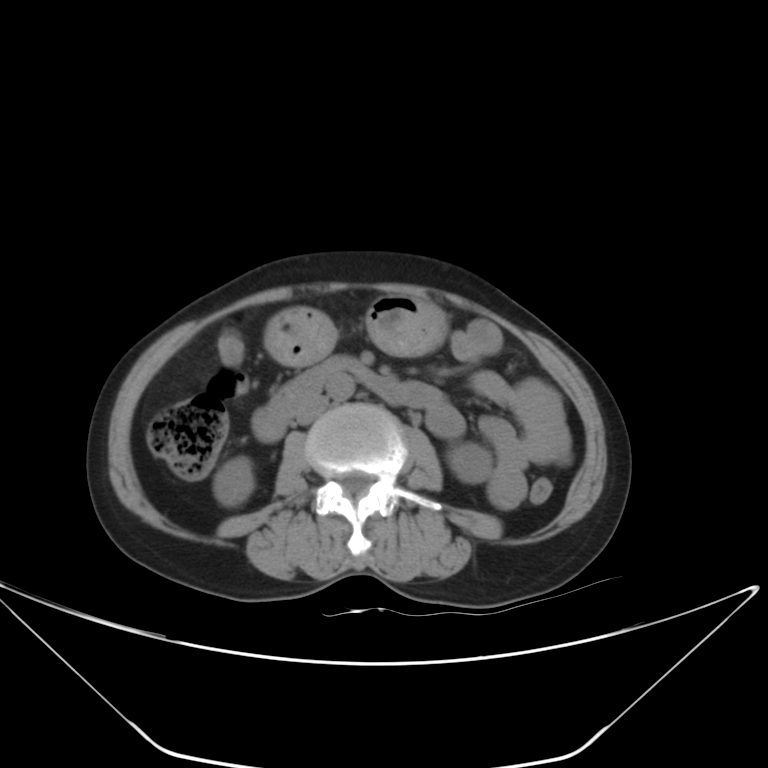
Abdominal CT; Axial slice 49/85; 768x768 px
Each box given as x1,y1,x2,y2. The annotated organs in this slice are: right kidney at x1=213, y1=456, x2=254, y2=506, left kidney at x1=447, y1=443, x2=492, y2=483, stomach at x1=265, y1=295, x2=445, y2=363, aorta at x1=326, y1=373, x2=355, y2=400, inferior vena cava at x1=296, y1=395, x2=328, y2=425, duodenum at x1=254, y1=356, x2=406, y2=441.